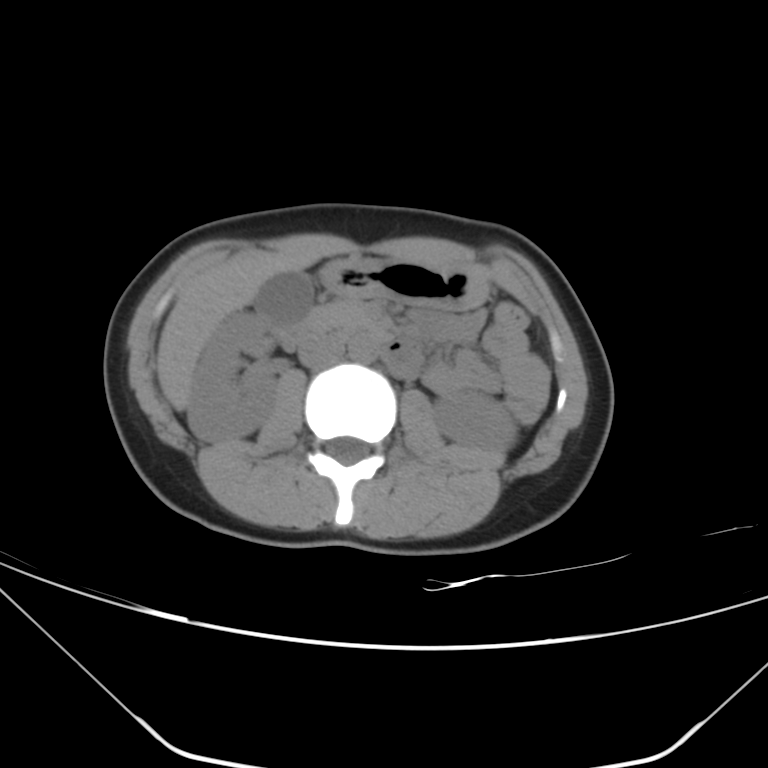 Computed tomography, abdomen. Axial slice 48/68. soft-tissue window
One row per box, in pixels: columns x1 and y1 give the top-left corner, x2 and y2 the bottom-right.
| organ | x1 | y1 | x2 | y2 |
|---|---|---|---|---|
| right kidney | 188 | 311 | 275 | 441 |
| left kidney | 433 | 392 | 517 | 451 |
| gall bladder | 255 | 271 | 313 | 320 |
| liver | 157 | 258 | 318 | 410 |
| stomach | 319 | 255 | 486 | 310 |
| aorta | 349 | 333 | 379 | 361 |
| inferior vena cava | 299 | 335 | 344 | 368 |
| pancreas | 318 | 300 | 368 | 330 |
| duodenum | 269 | 309 | 422 | 377 |